CT, abdomen/pelvis · axial view · soft-tissue window · 59-year-old male patient · 14 organs annotated in this scan (that count is for the whole scan; organs this slice misses have no box)
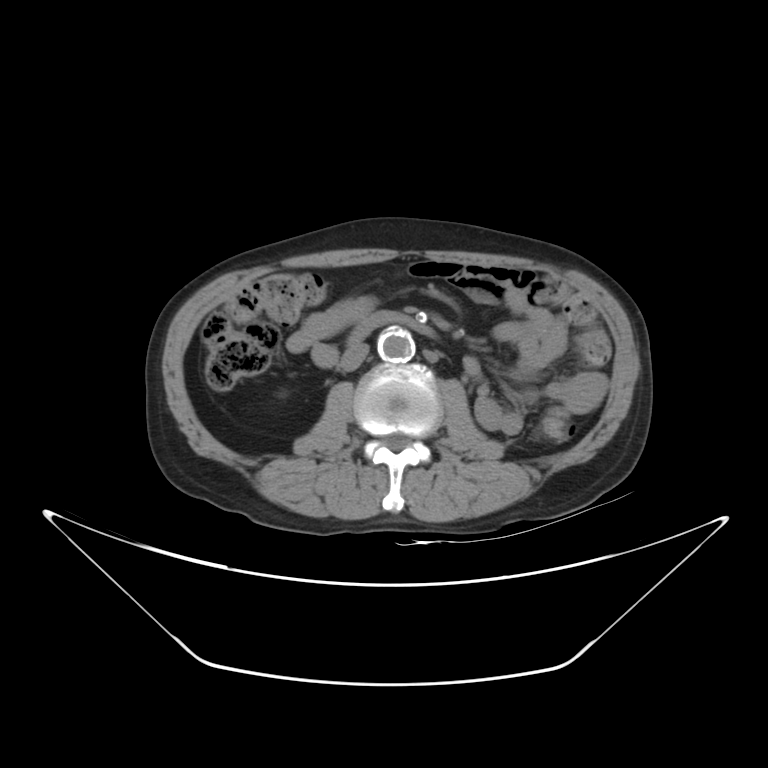 One row per box, in pixels: columns x1 and y1 give the top-left corner, x2 and y2 the bottom-right.
| organ | x1 | y1 | x2 | y2 |
|---|---|---|---|---|
| aorta | 377 | 327 | 413 | 362 |
| inferior vena cava | 340 | 340 | 368 | 371 |
| duodenum | 350 | 312 | 432 | 340 |